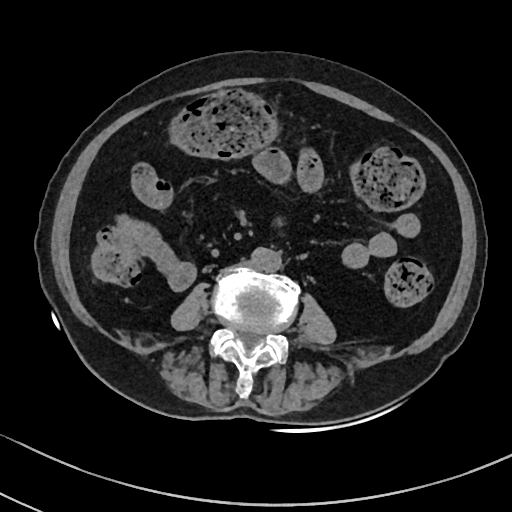
Abdominal CT; Axial slice 110/202; soft-tissue window; SOMATOM Force scanner; scan has 15 labeled organs (counted over the whole 3D scan, not this slice; an organ is boxed only where this slice passes through it)
Boxes are (x1, y1, x2, y2) in pixels. The annotated organs in this slice are: aorta at (249, 247, 282, 271).